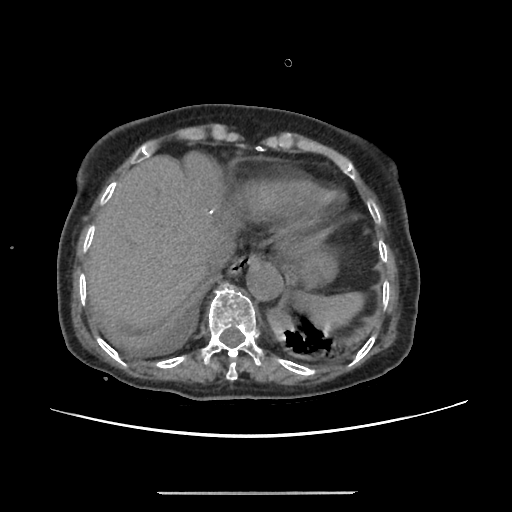

CT, abdomen/pelvis — Axial slice 304/353 — acquired on SOMATOM Force — scan has 14 labeled organs (that count is for the whole scan; organs this slice misses have no box)
Boxes: x1:y1:x2:y2 in pixels. 6 labeled organs on this slice — spleen at 294:291:363:330; esophagus at 229:252:260:274; liver at 86:150:241:331; stomach at 288:249:337:289; aorta at 245:260:283:300; inferior vena cava at 205:236:236:269.